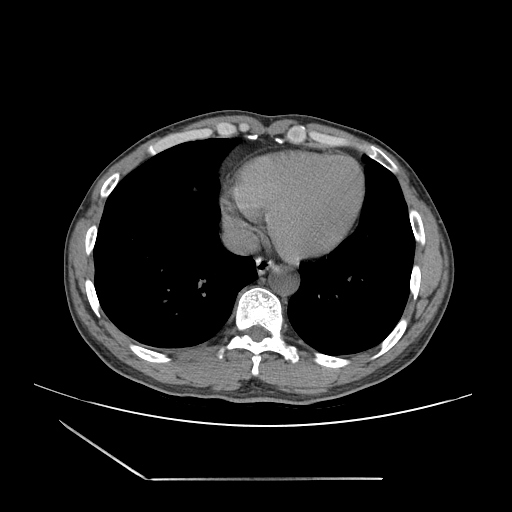 Abdominal CT; this slice is in the lower chest, just above the liver. Axial slice 172/173. 512x512 px. acquired on SOMATOM Force. 15 organs annotated in this scan (that count is for the whole scan; organs this slice misses have no box)
No part of the heart or lungs is labeled in this dataset, so neither has a box here.
Boxes: x1:y1:x2:y2 in pixels.
Organ bounding boxes:
- esophagus: 256:257:283:274
- aorta: 268:270:299:296
- inferior vena cava: 222:223:259:255